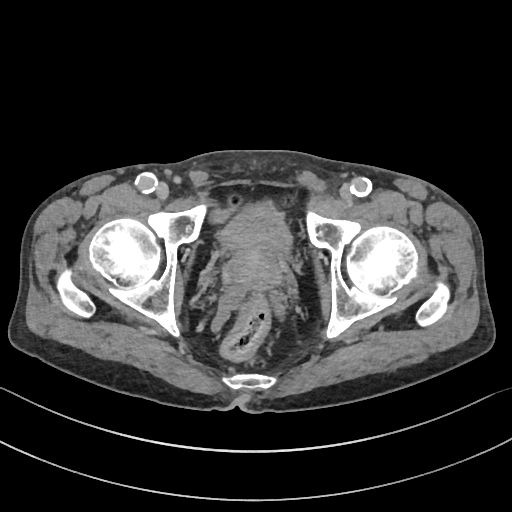

CT abdomen; axial plane, index 34; abdomen soft-tissue window
Boxes: x1 y1 x2 y2 (pixel coords, space-separated). The annotated organs in this slice are: bladder at 216 202 291 253, prostate/uterus at 222 246 280 288.